CT, abdomen/pelvis; axial plane, index 247; soft-tissue window (W 400 / L 40); 512x512 px; SOMATOM Force scanner; scan has 15 labeled organs (counted over the whole 3D scan, not this slice; an organ is boxed only where this slice passes through it)
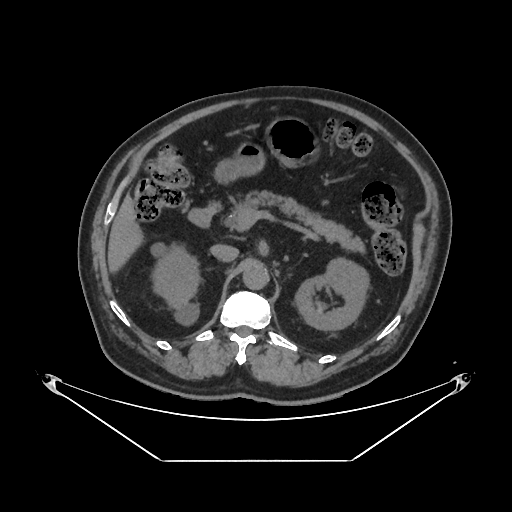

Coordinates as <box>x1,y1,x2,y2</box> in pixels. The annotated organs in this slice are: right kidney at <box>151,243,200,323</box>, left kidney at <box>295,256,369,330</box>, liver at <box>107,195,141,270</box>, stomach at <box>215,119,317,181</box>, aorta at <box>243,262,269,289</box>, inferior vena cava at <box>210,244,239,261</box>, pancreas at <box>225,191,364,251</box>, duodenum at <box>188,203,221,227</box>.